CT abdomen; axial view; acquired on SOMATOM Force; 15 organs annotated in this scan (that count is for the whole scan; organs this slice misses have no box)
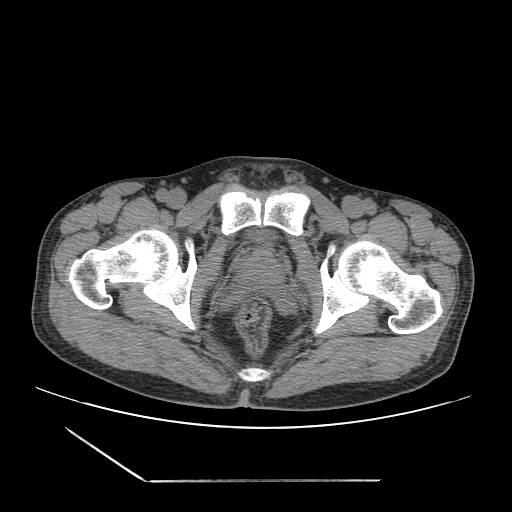

Boxes are (x1, y1, x2, y2) in pixels. Labeled organs on this slice: bladder at (247, 229, 272, 241), prostate/uterus at (237, 250, 284, 288).